Abdominal CT; this slice is in the lower chest, just above the liver; Axial slice 87/87; soft-tissue window (W 400 / L 40); 15 organs annotated in this scan (counted over the whole 3D scan, not this slice; an organ is boxed only where this slice passes through it)
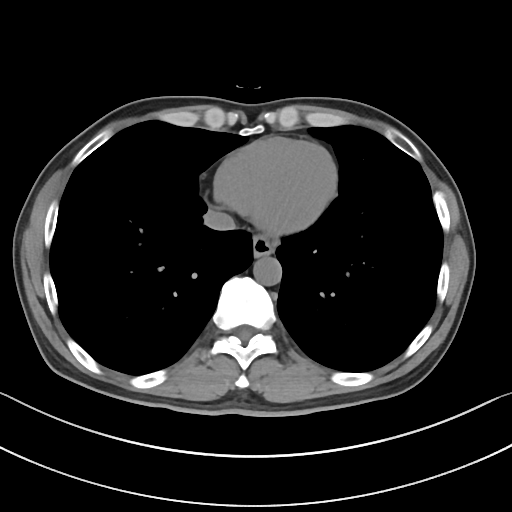 Of the structures in the chest, this dataset labels only the esophagus, the aorta and the inferior vena cava; the heart and lungs have no label.
Boxes: x1 y1 x2 y2 (pixel coords, space-separated).
Organ bounding boxes:
- aorta: 253 256 281 285
- esophagus: 253 235 276 257
- inferior vena cava: 203 210 235 230